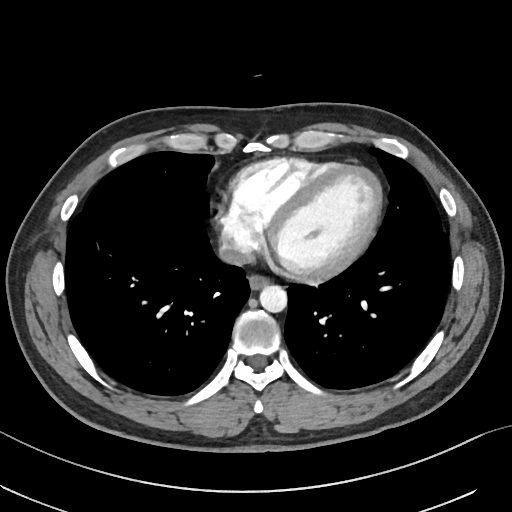

CT of the abdomen reaching into the lower chest, slice just above the liver and spleen. Axial slice 211/307
Of the structures in the chest, this dataset labels only the esophagus, the aorta and the inferior vena cava; the heart and lungs have no label. Each box given as x1,y1,x2,y2. The annotated organs in this slice are: aorta at x1=259, y1=285, x2=287, y2=312, esophagus at x1=248, y1=274, x2=269, y2=289, inferior vena cava at x1=218, y1=239, x2=255, y2=265.